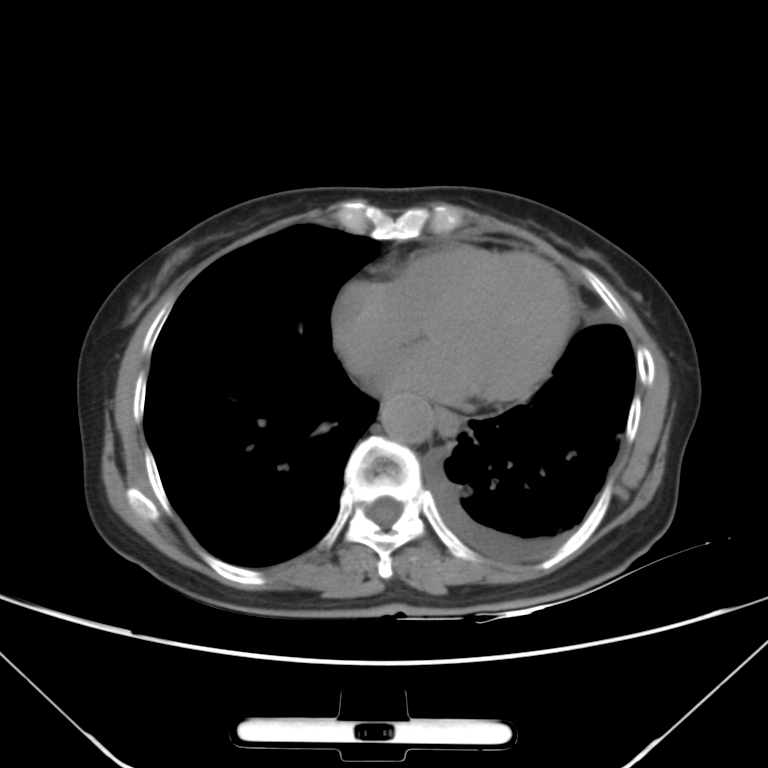
Lower-chest slice from an abdominal CT, just above the liver and spleen · axial view · W/L 400/40 HU · 63-year-old female patient · Brilliance16 scanner
No part of the heart or lungs is labeled in this dataset, so neither has a box here.
<organs><organ name="esophagus" x1="433" y1="410" x2="458" y2="435"/><organ name="aorta" x1="381" y1="400" x2="432" y2="442"/></organs>